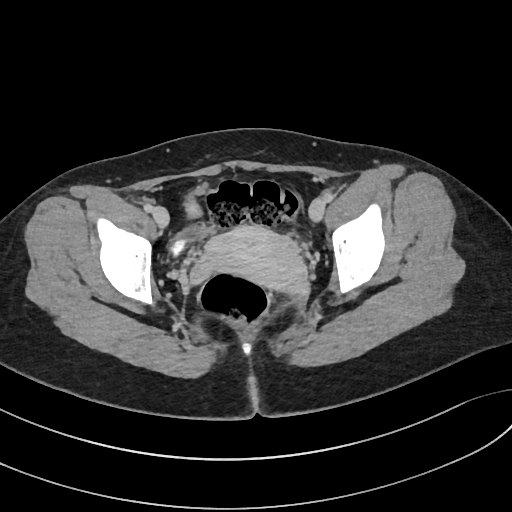

CT abdomen. Axial slice 45/219. W/L 400/40 HU
Bounding boxes in pixels, one row per box: x1, y1 is the top-left corner and x2, y2 the bottom-right.
| organ | x1 | y1 | x2 | y2 |
|---|---|---|---|---|
| bladder | 169 | 186 | 215 | 258 |
| prostate/uterus | 205 | 226 | 305 | 286 |